CT abdomen — axial view — W/L 400/40 HU — 15 organs annotated in this scan (counted over the whole 3D scan, not this slice; an organ is boxed only where this slice passes through it)
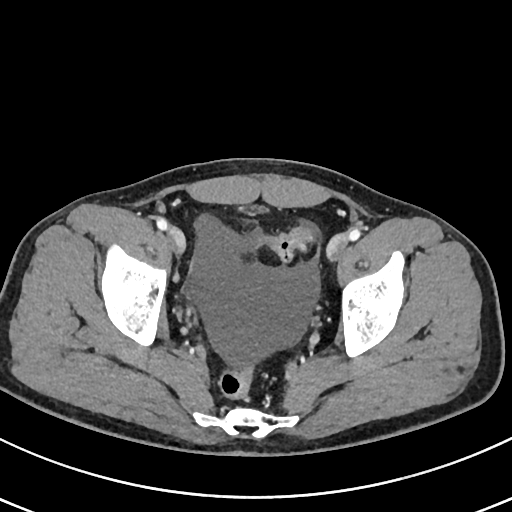

Bounding boxes as [x1, y1, x2, y2] in pixel coordinates.
bladder: [237, 204, 268, 213]